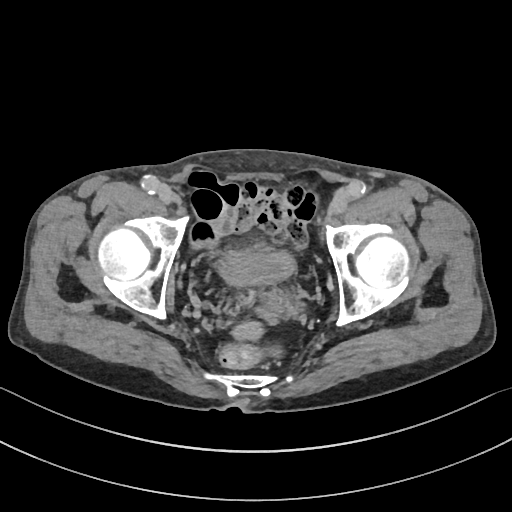

CT abdomen. axial view. W/L 400/40 HU. 512x512 px. acquired on SOMATOM Force. scan has 15 labeled organs (that count is for the whole scan; organs this slice misses have no box)
Coordinates as <box>x1,y1,x2,y2</box> in pixels. The annotated organs in this slice are: bladder at <box>220,244,294,284</box>.